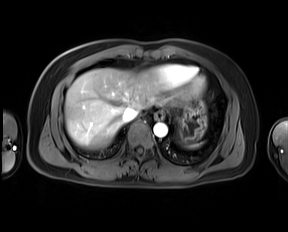
Magnetic resonance imaging, abdomen — axial view — 288x232 px
Bounding boxes in pixels, one row per box: x1, y1 is the top-left corner and x2, y2 the bottom-right.
| organ | x1 | y1 | x2 | y2 |
|---|---|---|---|---|
| spleen | 185 | 142 | 203 | 147 |
| esophagus | 154 | 111 | 164 | 119 |
| liver | 64 | 68 | 168 | 149 |
| stomach | 175 | 100 | 206 | 141 |
| aorta | 153 | 122 | 167 | 137 |
| inferior vena cava | 122 | 107 | 138 | 121 |